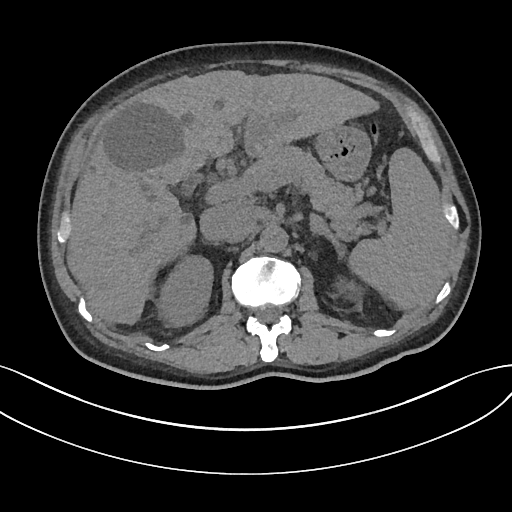

Abdominal CT. axial view. 512x512 px. 15 organs annotated in this scan (that count is for the whole scan; organs this slice misses have no box)
<organs><organ name="left kidney" x1="340" y1="279" x2="355" y2="293"/><organ name="pancreas" x1="246" y1="146" x2="359" y2="229"/><organ name="right kidney" x1="157" y1="258" x2="212" y2="325"/><organ name="spleen" x1="351" y1="149" x2="450" y2="309"/><organ name="inferior vena cava" x1="200" y1="202" x2="247" y2="241"/><organ name="left adrenal gland" x1="308" y1="214" x2="339" y2="257"/><organ name="aorta" x1="260" y1="225" x2="288" y2="252"/><organ name="liver" x1="66" y1="70" x2="380" y2="325"/><organ name="stomach" x1="317" y1="126" x2="371" y2="180"/></organs>